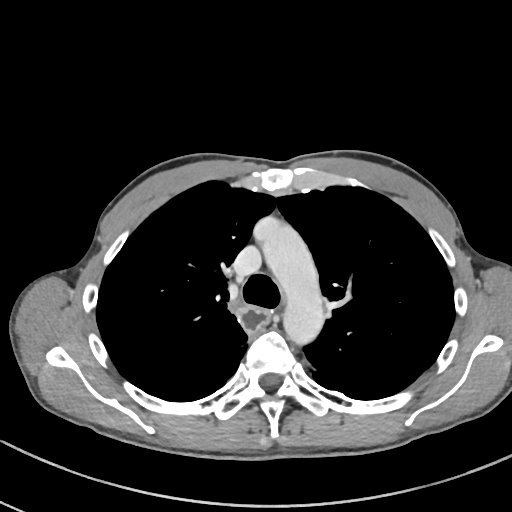

Chest-level CT slice, above the liver and spleen — axial view — W/L 400/40 HU — 512x512 px — SOMATOM Force scanner
At this level of the chest no structure but the esophagus and the aorta has a label in this dataset, and those two are boxed only where they are labeled.
Boxes: x1 y1 x2 y2 (pixel coords, space-separated).
Organ bounding boxes:
- aorta: 264 226 323 341
- esophagus: 237 306 268 333